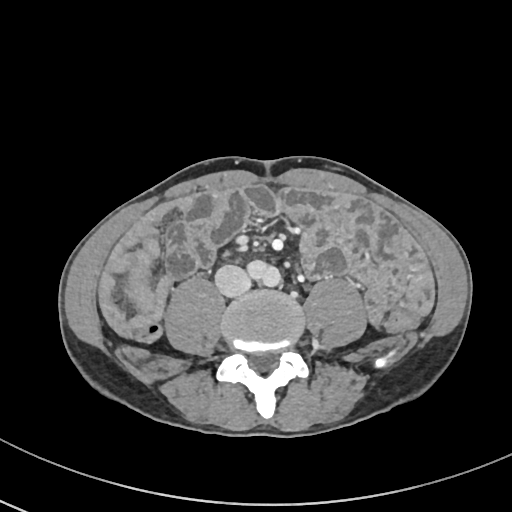

Computed tomography, abdomen · axial view
Boxes: x1 y1 x2 y2 (pixel coords, space-separated).
aorta: 249 274 275 286
inferior vena cava: 215 264 251 296